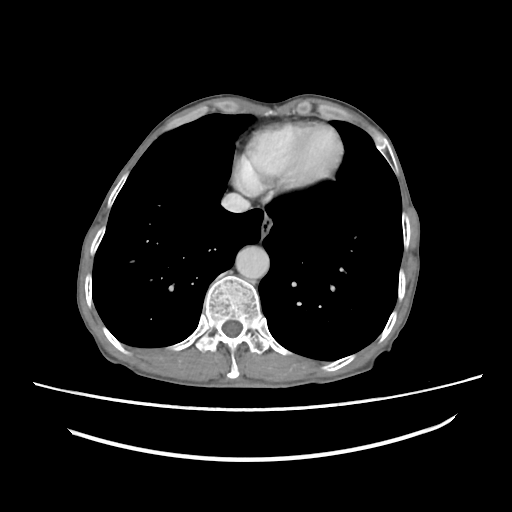 Lower-chest slice from an abdominal CT, just above the liver and spleen · axial view · soft-tissue window (W 400 / L 40)
Of the structures in the chest, this dataset labels only the esophagus, the aorta and the inferior vena cava; the heart and lungs have no label.
{"organs":{"esophagus":[260,216,272,235],"aorta":[235,246,269,279],"inferior vena cava":[221,193,250,212]}}